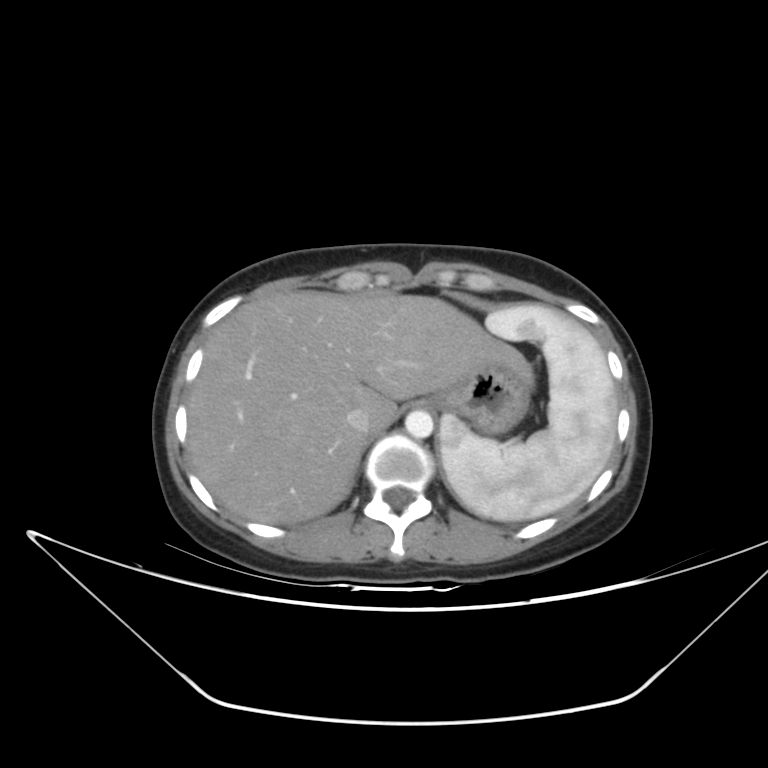

Computed tomography, abdomen. Axial slice 29/72. W/L 400/40 HU. Brilliance16 scanner. 13 organs annotated in this scan (that count is for the whole scan; organs this slice misses have no box)
Bounding boxes as [x1, y1, x2, y2] in pixel coordinates. 6 labeled organs on this slice — spleen at [440, 304, 618, 521]; esophagus at [416, 398, 437, 406]; liver at [187, 291, 534, 523]; stomach at [435, 365, 532, 434]; aorta at [405, 410, 433, 438]; inferior vena cava at [346, 408, 370, 432].